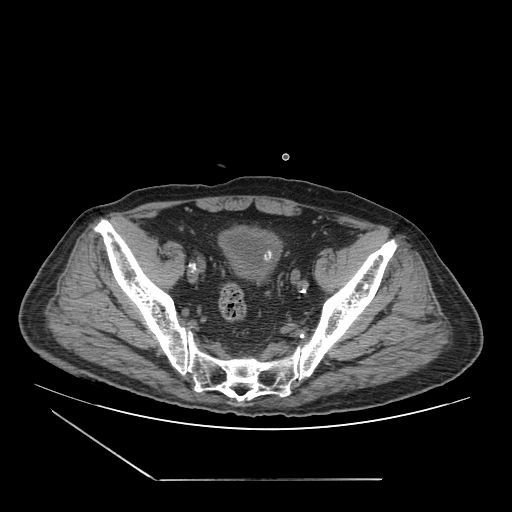
CT abdomen — axial view — abdomen soft-tissue window — 512x512 px
Coordinates as <box>x1,y1,x2,y2</box> in pixels.
Organ bounding boxes:
- bladder: <box>217,226,282,284</box>